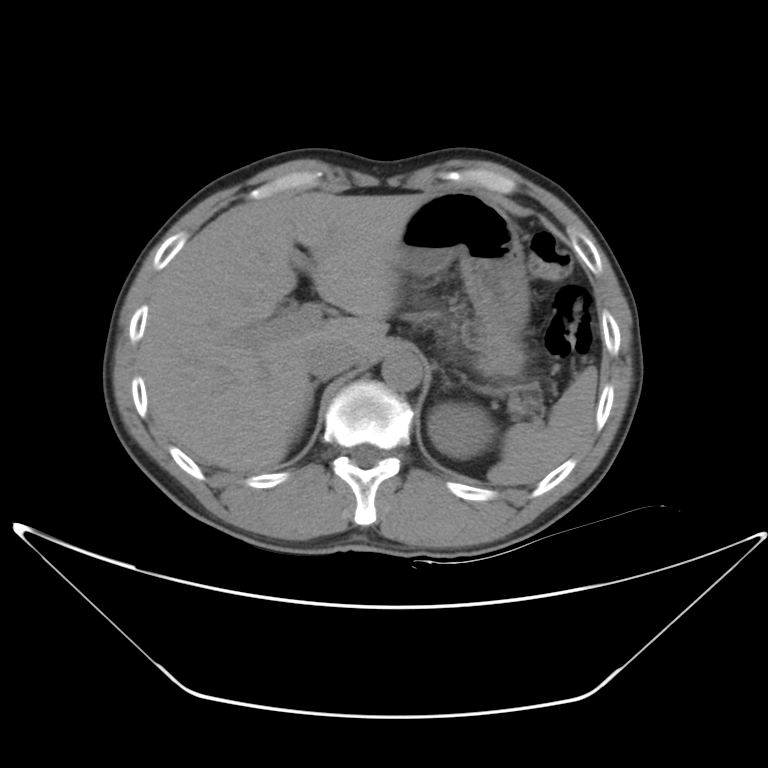

Abdominal CT; axial plane, index 76; 51-year-old male patient
{"organs":{"spleen":[487,368,597,486],"left kidney":[427,400,495,459],"liver":[145,192,432,471],"stomach":[396,192,529,371],"aorta":[381,351,424,391],"inferior vena cava":[305,343,353,378],"right adrenal gland":[311,384,318,394]}}